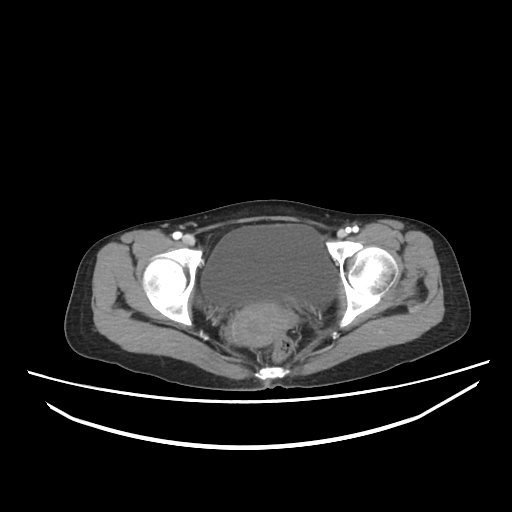 CT, abdomen/pelvis; axial plane, index 8
Coordinates as <box>x1,y1,x2,y2</box> in pixels. Labeled organs on this slice: bladder at <box>201,224,338,306</box>, prostate/uterus at <box>231,304,295,346</box>.